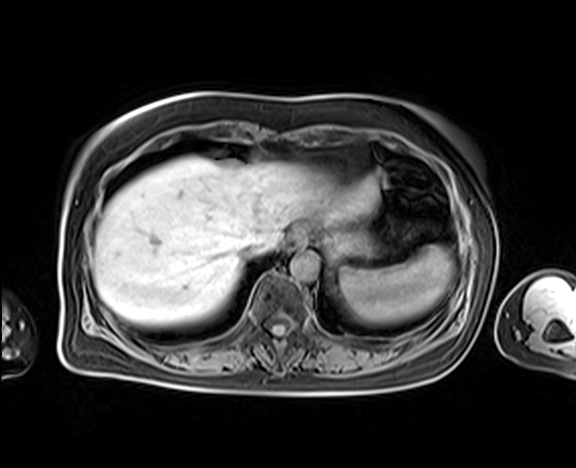

Abdominal MR. axial view. 1st–99th percentile window. 576x468 px
<organs><organ name="stomach" x1="321" y1="228" x2="373" y2="261"/><organ name="spleen" x1="340" y1="245" x2="452" y2="322"/><organ name="inferior vena cava" x1="240" y1="243" x2="265" y2="260"/><organ name="esophagus" x1="284" y1="229" x2="306" y2="252"/><organ name="aorta" x1="290" y1="253" x2="318" y2="280"/><organ name="liver" x1="93" y1="156" x2="380" y2="325"/></organs>